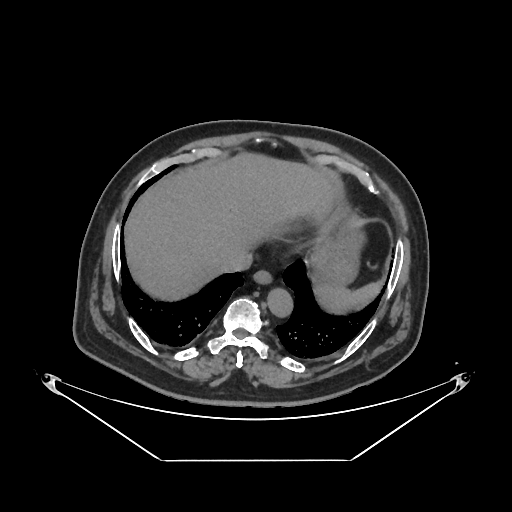

Abdominal CT · Axial slice 314/353 · W/L 400/40 HU · 15 organs annotated in this scan (counted over the whole 3D scan, not this slice; an organ is boxed only where this slice passes through it)
Boxes are (x1, y1, x2, y2) in pixels.
spleen: (316, 283, 380, 310)
esophagus: (253, 271, 272, 284)
liver: (126, 154, 333, 298)
stomach: (312, 227, 359, 286)
aorta: (268, 289, 293, 317)
inferior vena cava: (221, 250, 252, 271)